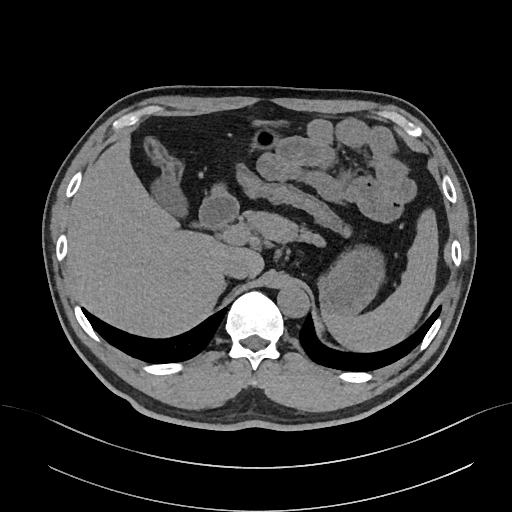

Abdominal CT — axial view — soft-tissue window — scan has 15 labeled organs (that count is for the whole scan; organs this slice misses have no box)
<organs><organ name="duodenum" x1="199" y1="191" x2="238" y2="229"/><organ name="aorta" x1="277" y1="285" x2="309" y2="317"/><organ name="spleen" x1="323" y1="208" x2="438" y2="351"/><organ name="gall bladder" x1="151" y1="178" x2="187" y2="217"/><organ name="liver" x1="67" y1="134" x2="264" y2="337"/><organ name="stomach" x1="212" y1="123" x2="385" y2="315"/><organ name="inferior vena cava" x1="220" y1="254" x2="250" y2="278"/><organ name="pancreas" x1="244" y1="211" x2="326" y2="245"/></organs>